Computed tomography, abdomen — axial view — 512x512 px — SOMATOM Force scanner — 15 organs annotated in this scan (counted over the whole 3D scan, not this slice; an organ is boxed only where this slice passes through it)
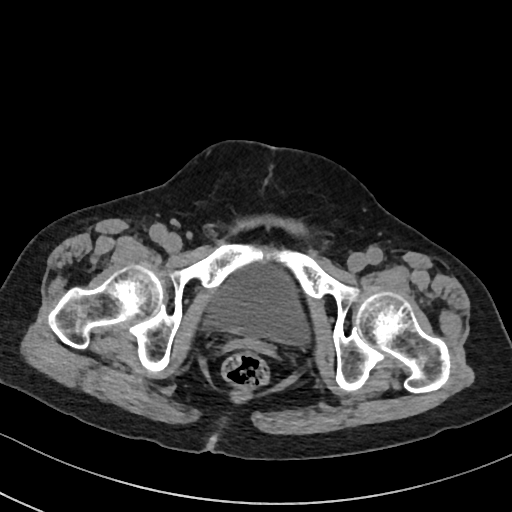
One row per box, in pixels: columns x1 and y1 give the top-left corner, x2 and y2 the bottom-right.
| organ | x1 | y1 | x2 | y2 |
|---|---|---|---|---|
| bladder | 207 | 266 | 310 | 345 |